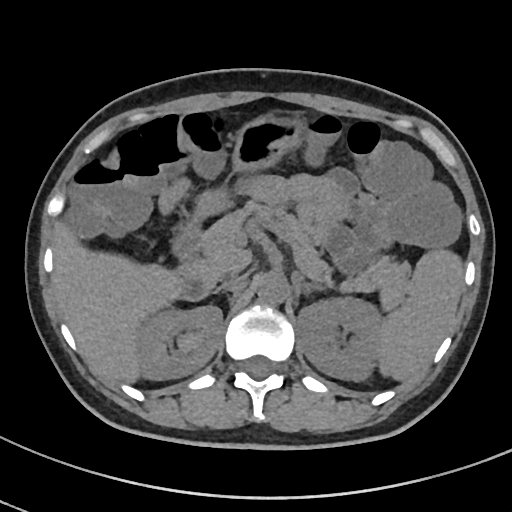
CT, abdomen/pelvis; axial plane, index 164; abdomen soft-tissue window; 15 organs annotated in this scan (that count is for the whole scan; organs this slice misses have no box)
Boxes: x1 y1 x2 y2 (pixel coords, space-separated). The annotated organs in this slice are: right kidney at 136 305 222 380, pancreas at 200 202 410 309, liver at 53 223 175 382, stomach at 196 115 299 216, aorta at 257 272 288 305, left kidney at 296 297 382 381, inferior vena cava at 216 276 247 291, duodenum at 172 223 212 299, left adrenal gland at 302 282 323 292, spleen at 378 249 462 380.